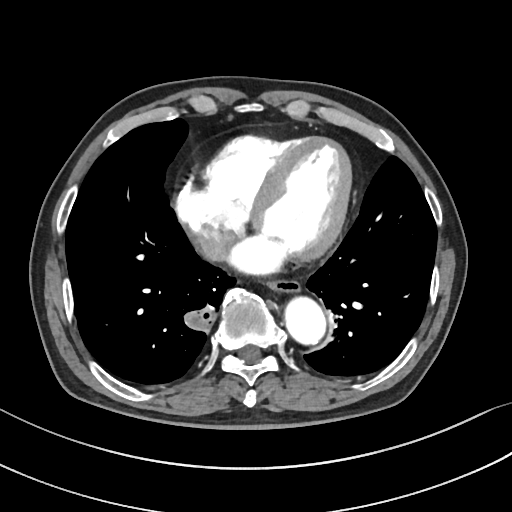

Abdominal CT; this slice is in the lower chest, just above the liver; axial plane, index 207; 15 organs annotated in this scan (a whole-scan count: organs this slice does not pass through have no box)
No part of the heart or lungs is labeled in this dataset, so neither has a box here.
Each box given as x1,y1,x2,y2.
aorta: x1=283, y1=294, x2=324, y2=342
esophagus: x1=266, y1=277, x2=299, y2=291
inferior vena cava: x1=197, y1=229, x2=234, y2=260